Lower-chest slice from an abdominal CT, just above the liver and spleen · axial view
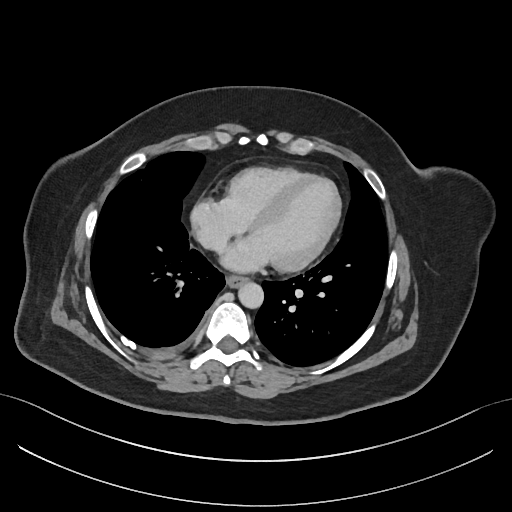 Of the structures in the chest, this dataset labels only the esophagus, the aorta and the inferior vena cava; the heart and lungs have no label. Each box given as x1,y1,x2,y2. 2 labeled organs on this slice — esophagus at x1=226, y1=277, x2=247, y2=288; aorta at x1=238, y1=283, x2=264, y2=309.